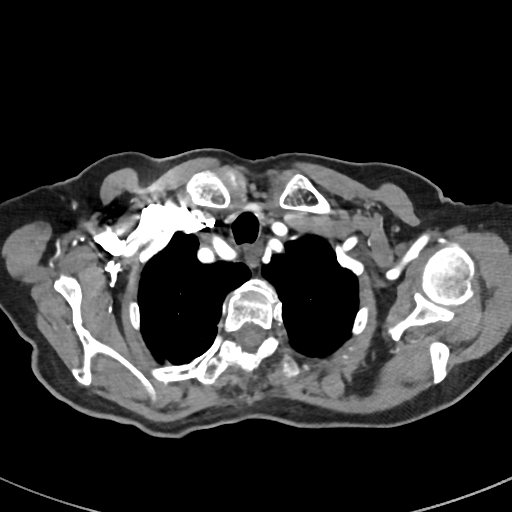

Chest-level slice from an abdominal CT that extends up into the chest — axial view — 512x512 px
At this level of the chest this dataset labels only the esophagus and the aorta, and each is boxed only where it is labeled; the heart and lungs are never labeled.
Coordinates as <box>x1,y1,x2,y2</box> in pixels.
esophagus: <box>246,248,257,265</box>